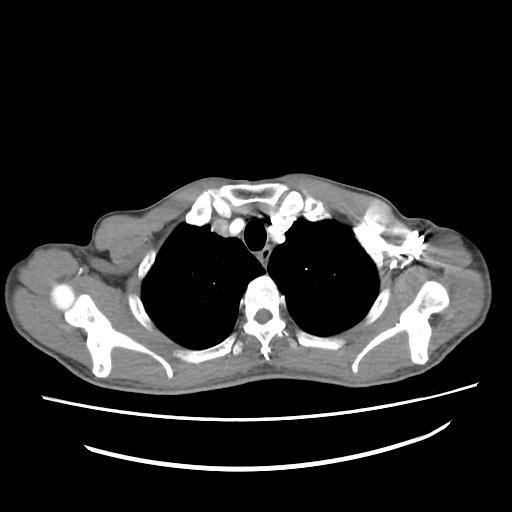 Abdominal CT reaching into the chest; this slice is in the chest. axial view. soft-tissue window
On a slice this high in the chest, this dataset labels only the esophagus and the aorta, and each is boxed only where it is labeled; the heart, lungs and other chest structures are not labeled.
Bounding boxes as [x1, y1, x2, y2] in pixel coordinates.
esophagus: [256, 249, 270, 265]